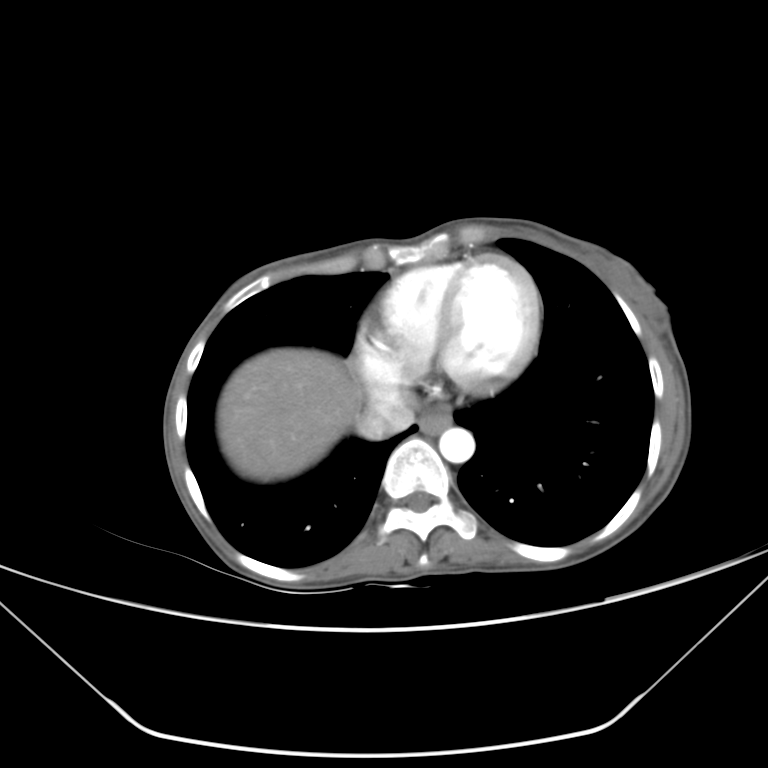

CT abdomen. axial view. abdomen soft-tissue window. scan has 15 labeled organs (a whole-scan count: organs this slice does not pass through have no box)
Each box given as x1,y1,x2,y2.
Organ bounding boxes:
- esophagus: x1=419, y1=414, x2=451, y2=434
- liver: x1=217, y1=348, x2=361, y2=481
- aorta: x1=439, y1=427, x2=474, y2=462
- inferior vena cava: x1=355, y1=395, x2=415, y2=439